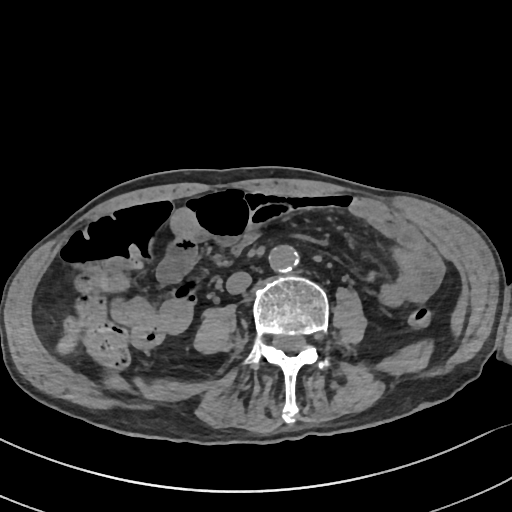

Abdominal CT — Axial slice 98/208 — soft-tissue window — acquired on SOMATOM Force
Boxes: x1:y1:x2:y2 in pixels.
Organ bounding boxes:
- inferior vena cava: 226:271:251:293
- aorta: 267:245:297:271